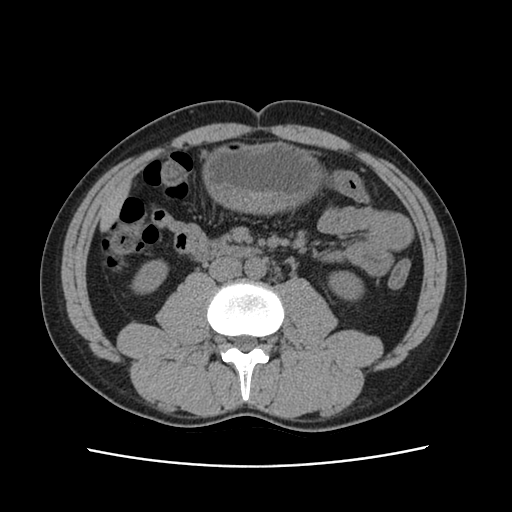 Computed tomography, abdomen — axial plane, index 98 — 512x512 px — acquired on SOMATOM Force
{"organs":{"right kidney":[132,260,167,294],"left kidney":[329,271,363,299],"liver":[100,181,129,231],"stomach":[203,142,323,213],"aorta":[245,258,266,278],"inferior vena cava":[209,256,241,281],"duodenum":[196,244,260,260]}}